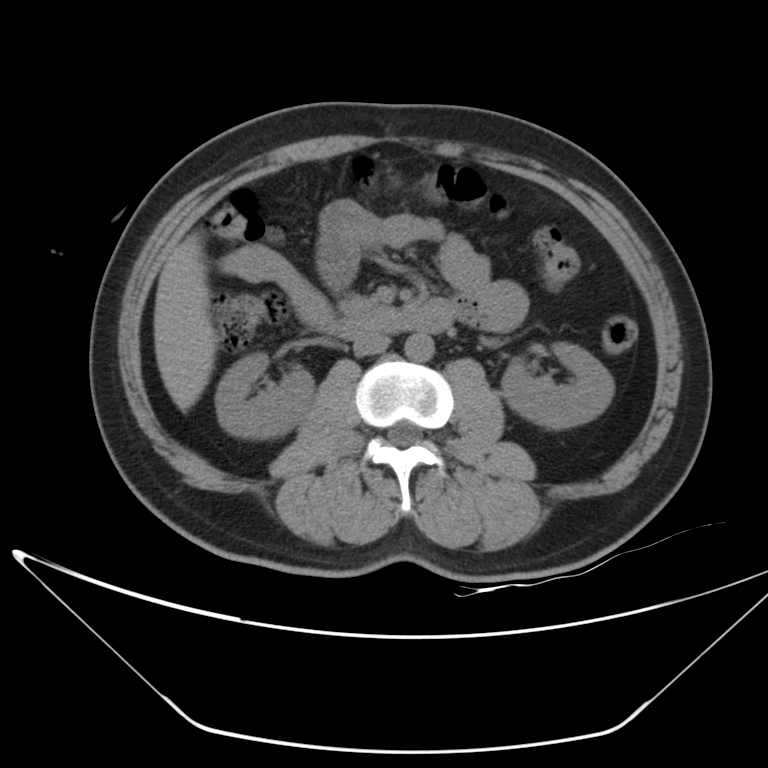
CT, abdomen/pelvis. axial plane, index 52. 768x768 px
<organs><organ name="pancreas" x1="340" y1="294" x2="379" y2="321"/><organ name="liver" x1="153" y1="234" x2="217" y2="411"/><organ name="aorta" x1="405" y1="334" x2="433" y2="361"/><organ name="inferior vena cava" x1="353" y1="334" x2="389" y2="356"/><organ name="duodenum" x1="338" y1="298" x2="456" y2="339"/><organ name="left kidney" x1="501" y1="342" x2="614" y2="429"/><organ name="right kidney" x1="215" y1="353" x2="313" y2="438"/></organs>